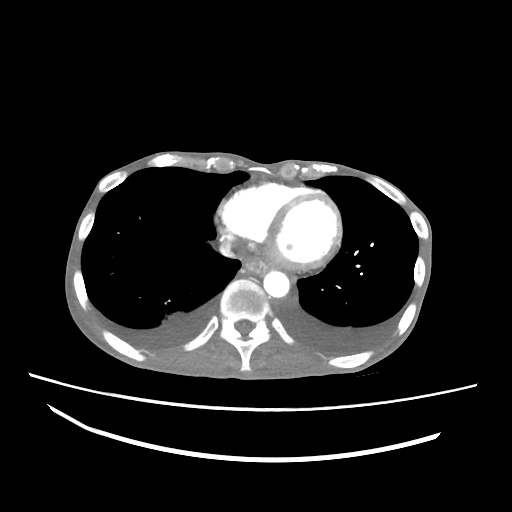

Abdominal CT; this slice is in the lower chest, just above the liver · axial view · soft-tissue window, W/L 400/40 · 512x512 px · Aquilion ONE scanner · 15 organs annotated in this scan (that count is for the whole scan; organs this slice misses have no box)
The heart and lungs are never labeled in this dataset, so they have no box on this slice.
<organs><organ name="esophagus" x1="242" y1="255" x2="271" y2="274"/><organ name="aorta" x1="263" y1="271" x2="289" y2="297"/><organ name="inferior vena cava" x1="219" y1="239" x2="237" y2="257"/></organs>